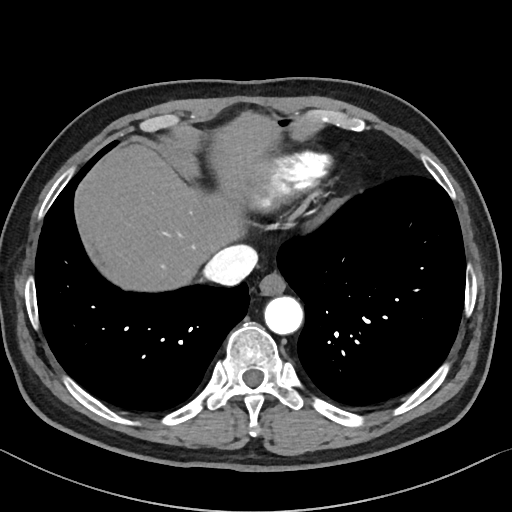

Abdominal CT; axial view; 512x512 px
Bounding boxes in pixels, one row per box: x1, y1 is the top-left corner and x2, y2 the bottom-right.
| organ | x1 | y1 | x2 | y2 |
|---|---|---|---|---|
| esophagus | 259 | 272 | 285 | 295 |
| liver | 74 | 112 | 279 | 291 |
| aorta | 264 | 296 | 302 | 334 |
| inferior vena cava | 203 | 245 | 257 | 285 |